Computed tomography, abdomen · axial view · W/L 400/40 HU · SOMATOM Force scanner
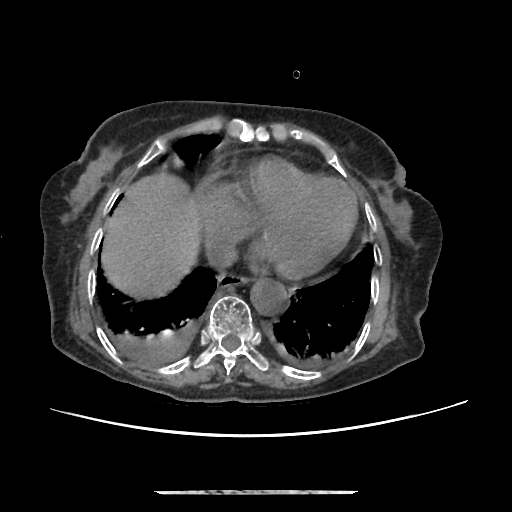 {"organs":{"esophagus":[217,272,249,288],"liver":[102,173,200,296],"aorta":[250,279,287,315],"inferior vena cava":[208,241,236,265]}}